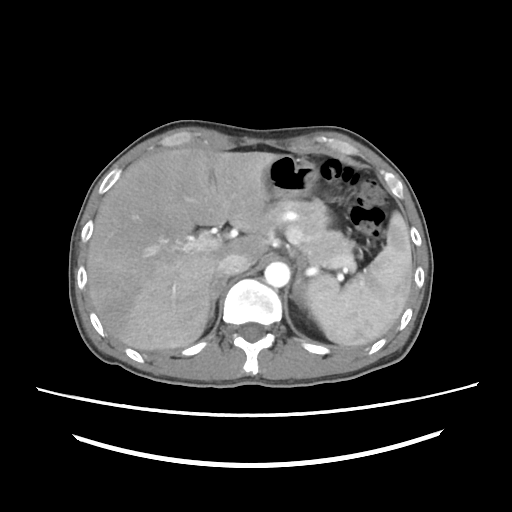

CT, abdomen/pelvis; axial view; 512x512 px; 51-year-old male patient; 13 organs annotated in this scan (that count is for the whole scan; organs this slice misses have no box)
Box edges are left/top/right/bottom in pixels.
right adrenal gland: left=206, top=274, right=225, bottom=321
left adrenal gland: left=293, top=263, right=307, bottom=307
left kidney: left=306, top=303, right=309, bottom=306
stomach: left=262, top=154, right=318, bottom=208
pancreas: left=268, top=201, right=355, bottom=264
inferior vena cava: left=218, top=254, right=252, bottom=277
aorta: left=264, top=261, right=290, bottom=287
spleen: left=308, top=211, right=411, bottom=346
liver: left=88, top=148, right=280, bottom=350